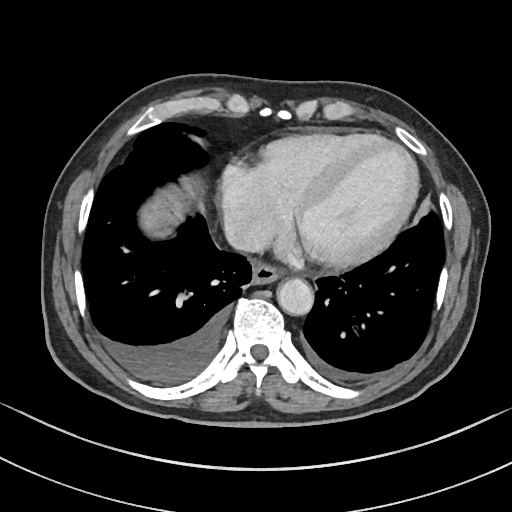
CT of the abdomen reaching into the lower chest, slice just above the liver and spleen. axial view. W/L 400/40 HU. 14 organs annotated in this scan (that count is for the whole scan; organs this slice misses have no box)
The heart and lungs are never labeled in this dataset, so they have no box on this slice.
Organ boxes in pixel coordinates; each row gives the top-left (x1, y1) and bottom-right (x2, y2) corners.
| organ | x1 | y1 | x2 | y2 |
|---|---|---|---|---|
| esophagus | 252 | 264 | 278 | 283 |
| aorta | 276 | 277 | 313 | 314 |
| inferior vena cava | 224 | 219 | 270 | 251 |